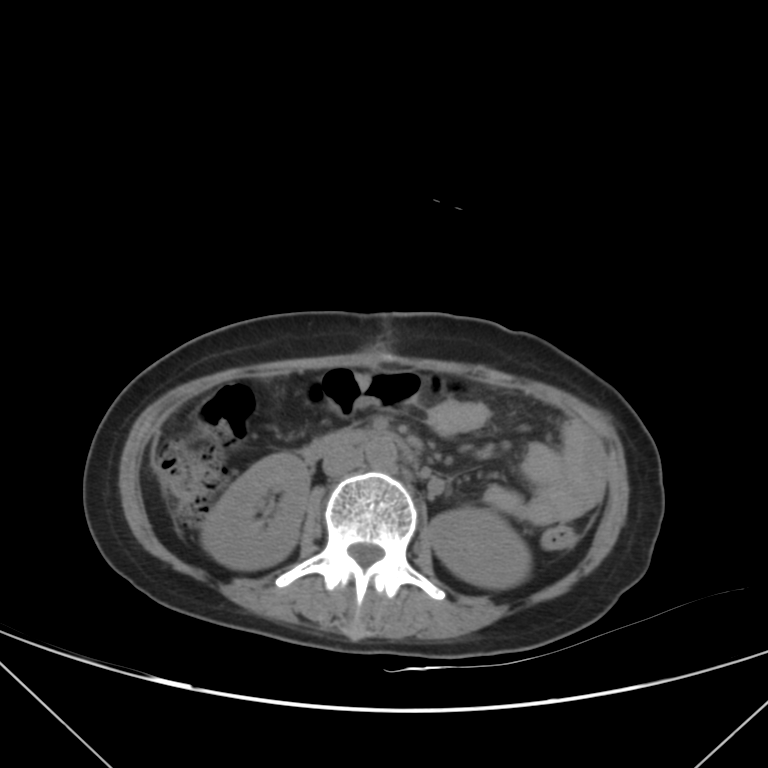

CT, abdomen/pelvis · axial plane, index 52 · soft-tissue window (W 400 / L 40) · 39-year-old female patient · Brilliance16 scanner
{"organs":{"right kidney":[201,453,309,569],"left kidney":[430,507,530,588],"aorta":[365,441,397,468],"inferior vena cava":[323,448,363,476],"duodenum":[301,428,416,463]}}